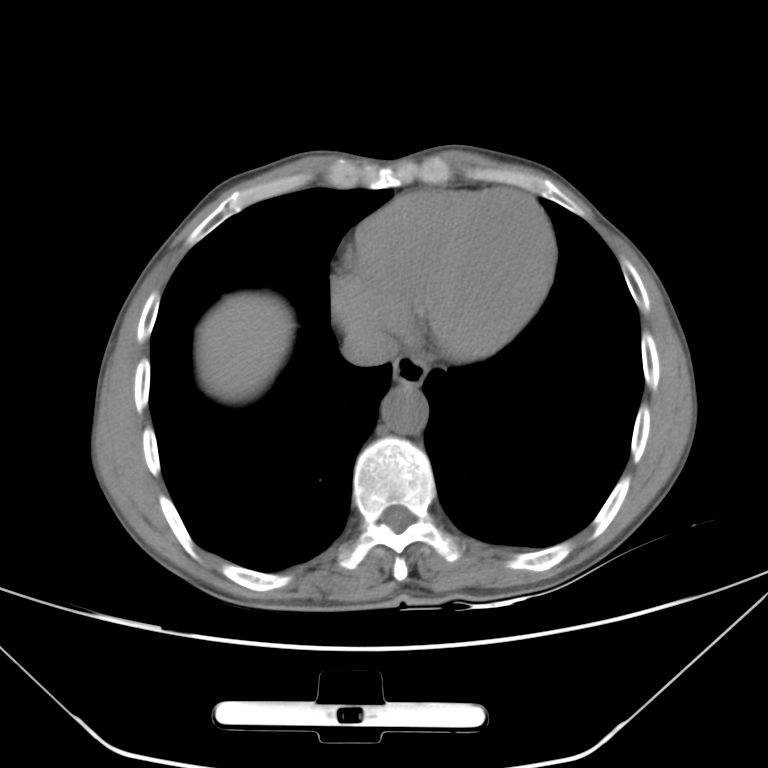

CT, abdomen/pelvis — axial view — soft-tissue window — acquired on Brilliance16
{"organs":{"esophagus":[392,354,428,385],"liver":[196,292,294,401],"aorta":[381,384,428,433],"inferior vena cava":[342,324,398,365]}}